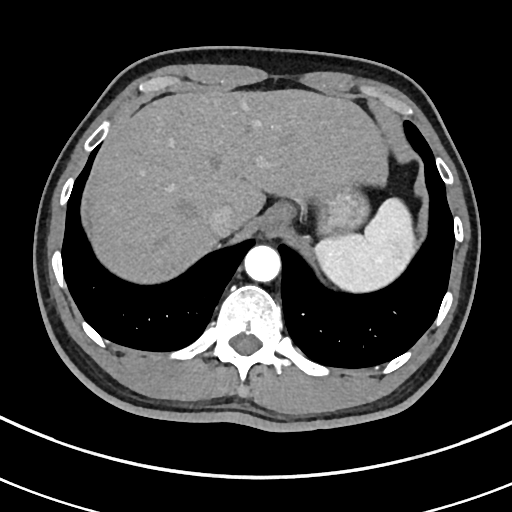
Computed tomography, abdomen — axial view
One row per box, in pixels: columns x1 and y1 give the top-left corner, x2 and y2 the bottom-right.
| organ | x1 | y1 | x2 | y2 |
|---|---|---|---|---|
| spleen | 315 | 199 | 413 | 293 |
| esophagus | 259 | 206 | 290 | 235 |
| liver | 84 | 90 | 387 | 281 |
| stomach | 317 | 189 | 366 | 233 |
| aorta | 244 | 245 | 281 | 283 |
| inferior vena cava | 207 | 204 | 235 | 236 |